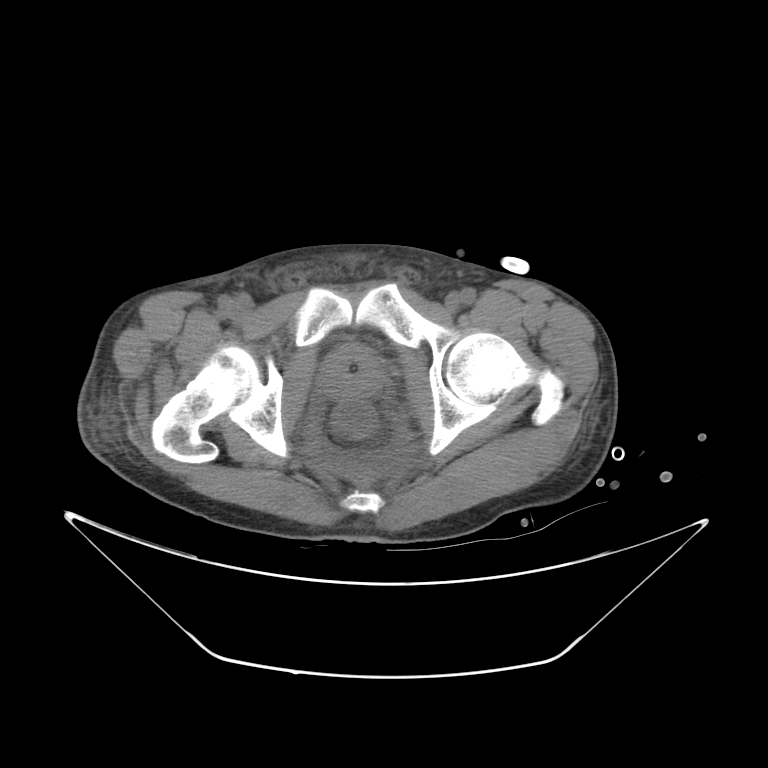 Computed tomography, abdomen · axial view · 39-year-old male patient
{"organs":{"prostate/uterus":[320,352,384,398]}}